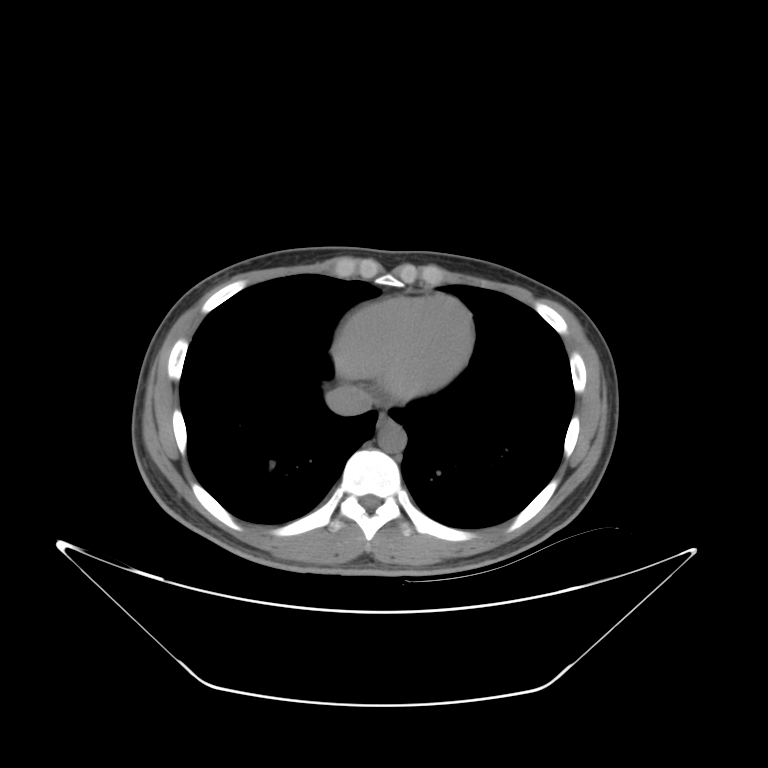
Abdominal CT; this slice is in the lower chest, just above the liver · Axial slice 96/102 · soft-tissue window · 16-year-old male patient · scan has 15 labeled organs (that count is for the whole scan; organs this slice misses have no box)
Of the structures in the chest, this dataset labels only the esophagus, the aorta and the inferior vena cava; the heart and lungs have no label. Boxes: x1:y1:x2:y2 in pixels. The annotated organs in this slice are: esophagus at 380:412:392:427, aorta at 377:423:409:452, inferior vena cava at 322:386:374:415.